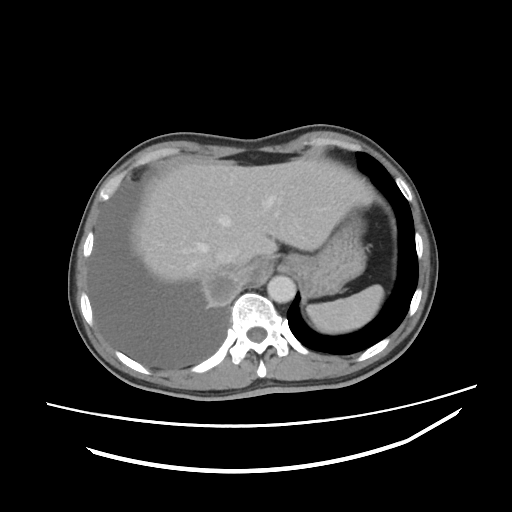

CT abdomen — Axial slice 83/131 — scan has 15 labeled organs (counted over the whole 3D scan, not this slice; an organ is boxed only where this slice passes through it)
Coordinates as <box>x1,y1,x2,y2</box> in pixels.
Organ bounding boxes:
- spleen: <box>307,284,384,333</box>
- liver: <box>135,158,374,282</box>
- stomach: <box>283,214,366,296</box>
- aorta: <box>267,275,295,302</box>
- inferior vena cava: <box>215,248,242,263</box>